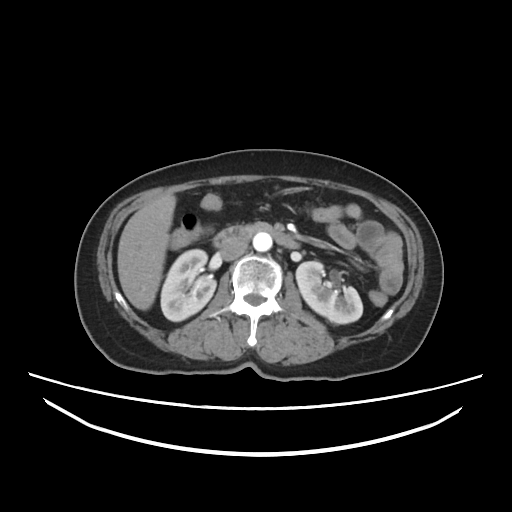 Abdominal CT — axial view — scan has 15 labeled organs (a whole-scan count: organs this slice does not pass through have no box)
{"organs":{"right kidney":[160,248,215,321],"left kidney":[297,261,362,323],"liver":[117,194,175,309],"aorta":[253,233,271,251],"inferior vena cava":[218,240,249,261],"duodenum":[214,223,299,248]}}